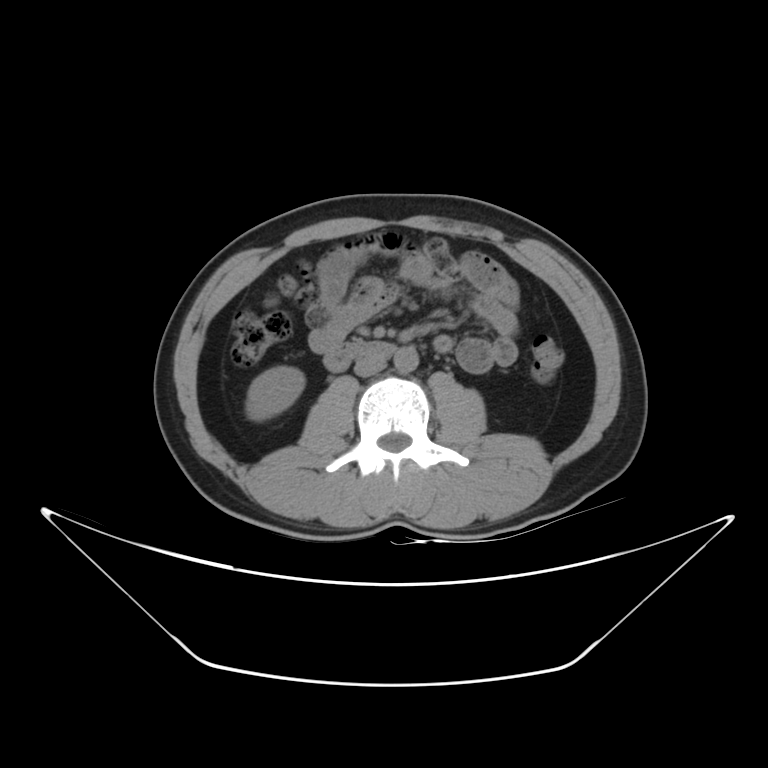 Abdominal CT — axial view — abdomen soft-tissue window
Bounding boxes in pixels, one row per box: x1, y1 is the top-left corner and x2, y2 the bottom-right.
| organ | x1 | y1 | x2 | y2 |
|---|---|---|---|---|
| right kidney | 246 | 366 | 304 | 420 |
| aorta | 394 | 347 | 419 | 372 |
| inferior vena cava | 353 | 355 | 386 | 376 |
| duodenum | 324 | 340 | 395 | 372 |